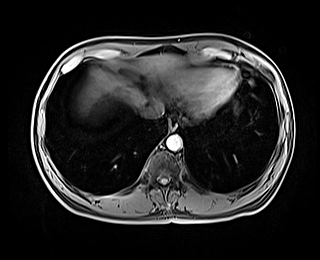 Abdominal MR · Axial slice 69/72 · 1st–99th percentile window
Boxes: x1 y1 x2 y2 (pixel coords, space-separated).
Organ bounding boxes:
- esophagus: 169 117 177 129
- liver: 78 54 188 112
- aorta: 166 134 182 150
- inferior vena cava: 142 102 163 118